Chest-level CT slice, above the liver and spleen — axial view
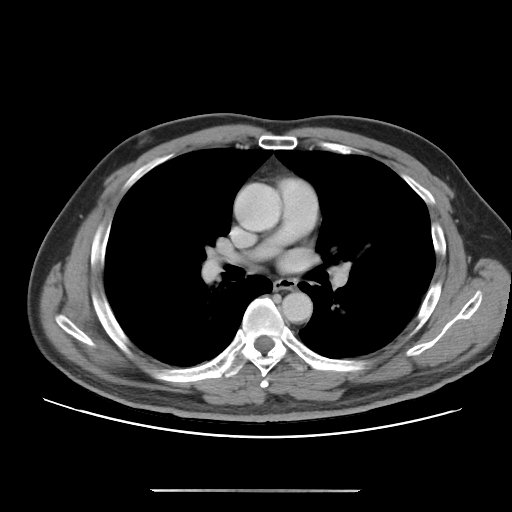 At this level of the chest this dataset labels only the esophagus and the aorta, and each is boxed only where it is labeled; the heart and lungs are never labeled.
{"organs":{"esophagus":[273,278,296,290],"aorta":[[234,183,281,231],[281,292,312,322]]}}